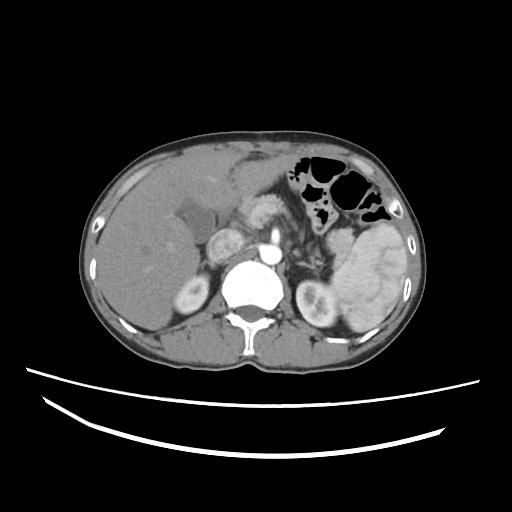
CT, abdomen/pelvis · axial view · W/L 400/40 HU · 512x512 px · 40-year-old male patient · scan has 15 labeled organs (a whole-scan count: organs this slice does not pass through have no box)
<organs><organ name="inferior vena cava" x1="206" y1="229" x2="244" y2="262"/><organ name="right adrenal gland" x1="201" y1="260" x2="216" y2="268"/><organ name="left adrenal gland" x1="294" y1="249" x2="316" y2="269"/><organ name="duodenum" x1="218" y1="206" x2="233" y2="224"/><organ name="liver" x1="97" y1="151" x2="299" y2="330"/><organ name="spleen" x1="331" y1="222" x2="407" y2="332"/><organ name="pancreas" x1="238" y1="194" x2="353" y2="264"/><organ name="left kidney" x1="296" y1="280" x2="337" y2="326"/><organ name="right kidney" x1="173" y1="274" x2="208" y2="313"/><organ name="gall bladder" x1="178" y1="200" x2="215" y2="242"/><organ name="aorta" x1="260" y1="244" x2="281" y2="264"/></organs>